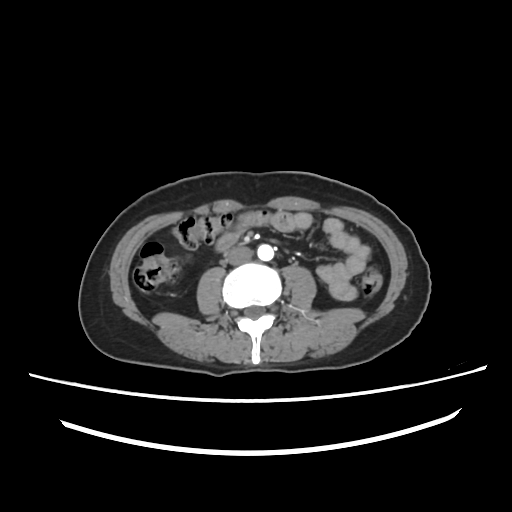

CT abdomen; Axial slice 54/123
{"organs":{"aorta":[257,244,274,260],"inferior vena cava":[226,246,253,265]}}